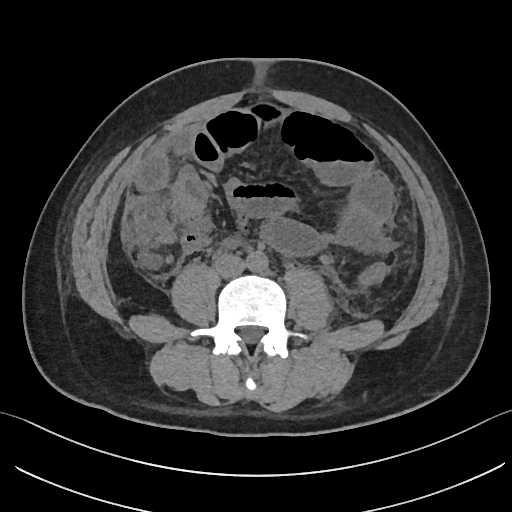

Abdominal CT; axial view; abdomen soft-tissue window
Box edges are left/top/right/bottom in pixels. Labeled organs on this slice: aorta at left=247, top=252, right=268, bottom=272, inferior vena cava at left=214, top=254, right=246, bottom=277.